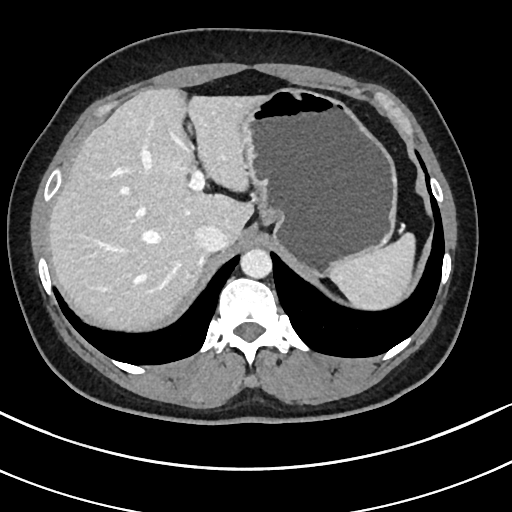
Abdominal CT — axial view — 512x512 px — SOMATOM Force scanner
Boxes: x1:y1:x2:y2 in pixels.
Organ bounding boxes:
- spleen: 330:233:414:309
- liver: 48:88:259:329
- stomach: 239:87:398:277
- aorta: 240:249:272:278
- inferior vena cava: 194:225:227:253